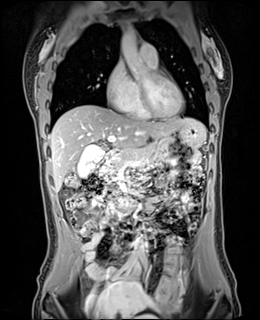

Abdominal MRI; coronal view; percentile-normalized; 260x320 px
<organs><organ name="stomach" x1="177" y1="125" x2="203" y2="148"/><organ name="gall bladder" x1="77" y1="145" x2="104" y2="178"/><organ name="liver" x1="50" y1="105" x2="205" y2="191"/><organ name="aorta" x1="120" y1="28" x2="151" y2="78"/><organ name="aorta" x1="134" y1="235" x2="143" y2="250"/><organ name="duodenum" x1="103" y1="153" x2="113" y2="167"/><organ name="pancreas" x1="102" y1="146" x2="154" y2="181"/></organs>